CT, abdomen/pelvis; axial view; abdomen soft-tissue window; acquired on Brilliance16; 15 organs annotated in this scan (a whole-scan count: organs this slice does not pass through have no box)
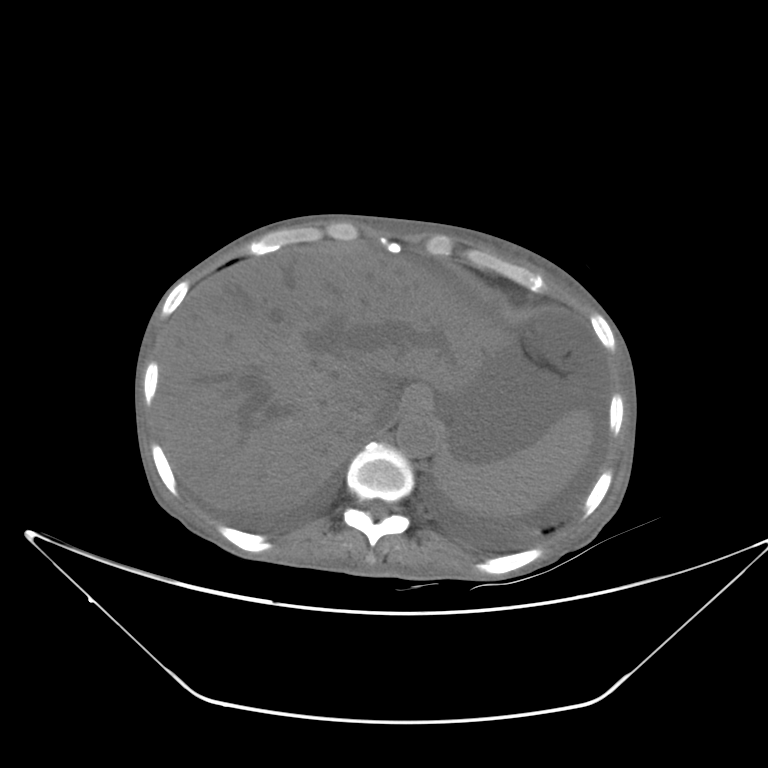
<organs><organ name="liver" x1="157" y1="249" x2="508" y2="514"/><organ name="inferior vena cava" x1="337" y1="402" x2="383" y2="441"/><organ name="esophagus" x1="404" y1="386" x2="432" y2="410"/><organ name="aorta" x1="396" y1="412" x2="439" y2="458"/><organ name="spleen" x1="433" y1="408" x2="594" y2="517"/></organs>